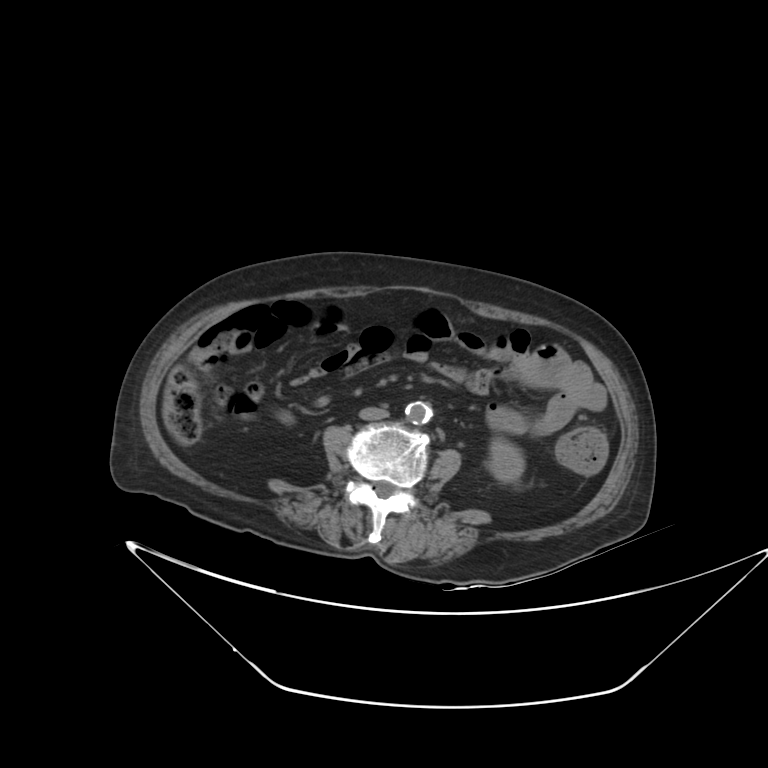 Abdominal CT · axial view · soft-tissue window (W 400 / L 40) · 768x768 px · 80-year-old female patient · 15 organs annotated in this scan (that count is for the whole scan; organs this slice misses have no box)
Boxes: x1:y1:x2:y2 in pixels.
inferior vena cava: 359:407:388:419
left kidney: 488:438:524:482
aorta: 405:401:432:424